CT, abdomen/pelvis; axial plane, index 187; scan has 14 labeled organs (a whole-scan count: organs this slice does not pass through have no box)
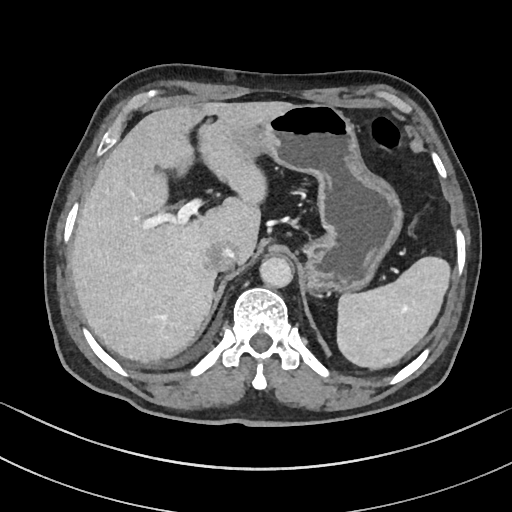

Boxes are (x1, y1, x2, y2) in pixels.
Organ bounding boxes:
- spleen: (336, 256, 450, 369)
- liver: (70, 101, 291, 362)
- stomach: (229, 104, 402, 295)
- aorta: (259, 257, 292, 287)
- inferior vena cava: (206, 242, 236, 271)